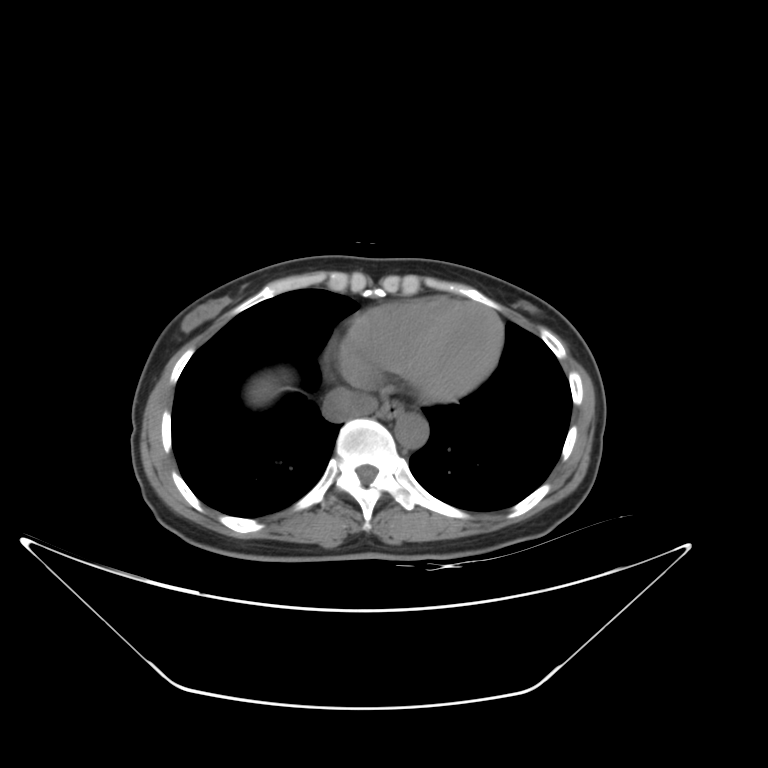
Abdominal CT; axial view; 15 organs annotated in this scan (counted over the whole 3D scan, not this slice; an organ is boxed only where this slice passes through it)
Boxes: x1 y1 x2 y2 (pixel coords, space-separated).
esophagus: 379 403 404 418
liver: 258 386 271 395
aorta: 395 414 428 447
inferior vena cava: 322 388 377 421